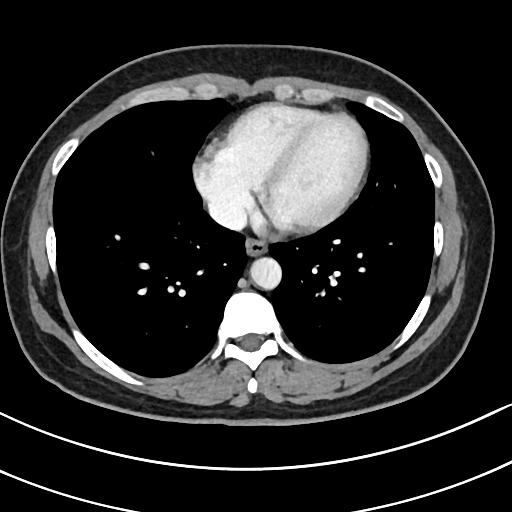

Lower-chest slice from an abdominal CT, just above the liver and spleen — axial view — W/L 400/40 HU — 512x512 px — 15 organs annotated in this scan (that count is for the whole scan; organs this slice misses have no box)
The heart and lungs are never labeled in this dataset, so they have no box on this slice.
Boxes are (x1, y1, x2, y2) in pixels.
inferior vena cava: (208, 201, 246, 229)
aorta: (249, 256, 281, 289)
esophagus: (246, 237, 267, 255)